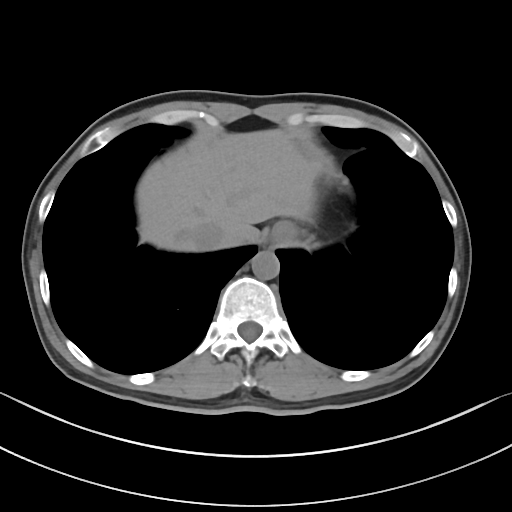

CT abdomen — axial view — soft-tissue window — acquired on SOMATOM Force
Coordinates as <box>x1,y1,x2,y2</box> in pixels.
aorta: <box>251,251,279,279</box>
esophagus: <box>271,221,295,242</box>
liver: <box>136,129,323,251</box>
inferior vena cava: <box>190,221,225,250</box>